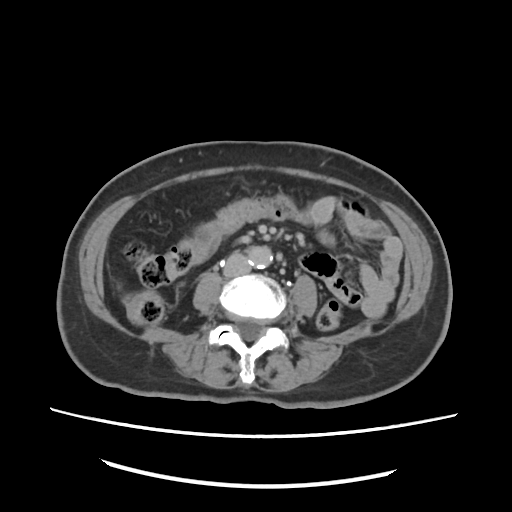
Abdominal CT; Axial slice 48/89; abdomen soft-tissue window; 76-year-old female patient; 15 organs annotated in this scan (that count is for the whole scan; organs this slice misses have no box)
Boxes are (x1, y1, x2, y2) in pixels. 2 labeled organs on this slice — aorta at (249, 245, 273, 268); inferior vena cava at (223, 253, 250, 278).